CT, abdomen/pelvis — axial plane, index 47 — 14 organs annotated in this scan (a whole-scan count: organs this slice does not pass through have no box)
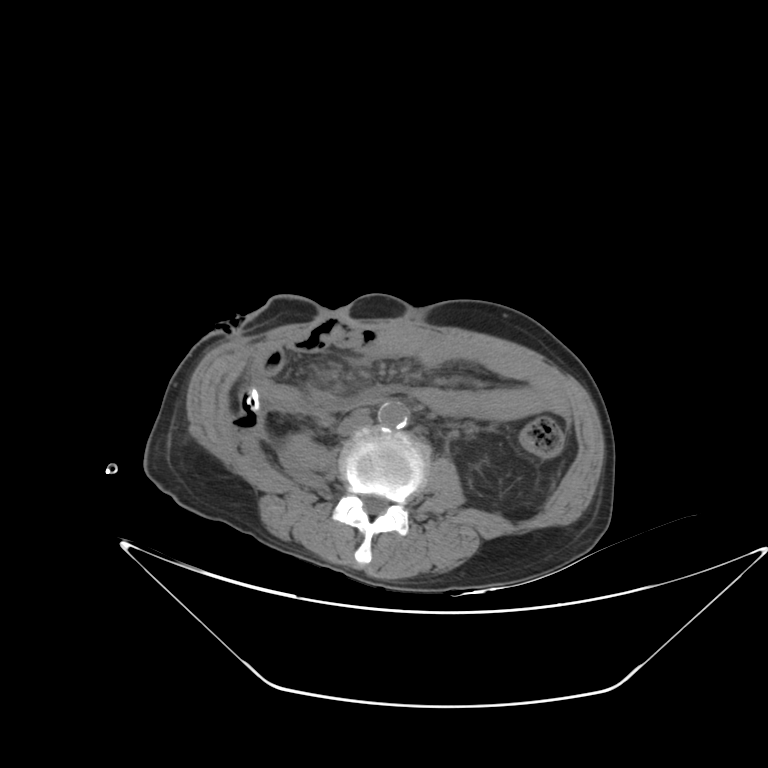 {"organs":{"aorta":[378,399,409,428],"inferior vena cava":[338,409,372,435]}}